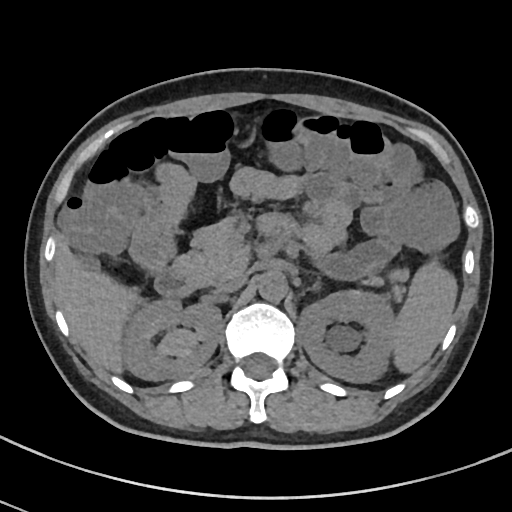
Computed tomography, abdomen; axial view
Bounding boxes as [x1, y1, x2, y2] in pixel coordinates.
inferior vena cava: [216, 275, 246, 292]
spleen: [393, 266, 458, 371]
liver: [54, 233, 137, 375]
pancreas: [175, 215, 409, 303]
duodenum: [154, 230, 288, 298]
right kidney: [126, 302, 221, 380]
aorta: [257, 271, 288, 302]
left kidney: [297, 291, 394, 382]